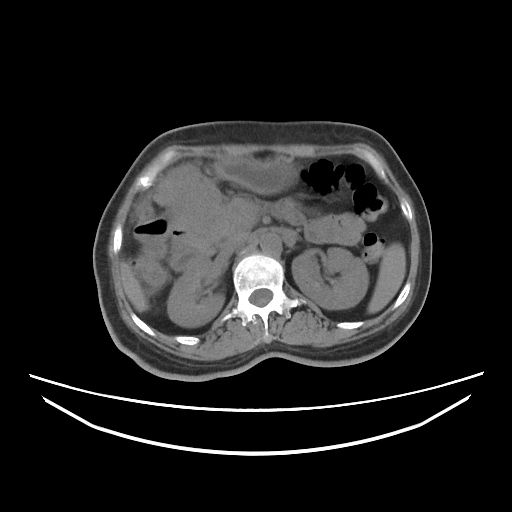 Computed tomography, abdomen — axial plane, index 68 — soft-tissue window
Boxes: x1 y1 x2 y2 (pixel coords, space-separated).
Organ bounding boxes:
- right kidney: 167 259 224 327
- pancreas: 206 198 249 245
- left kidney: 292 247 368 309
- inferior vena cava: 221 233 248 253
- stomach: 159 157 297 237
- aorta: 259 233 281 254
- liver: 121 263 148 312
- duodenum: 170 234 216 270
- spleen: 367 243 405 313